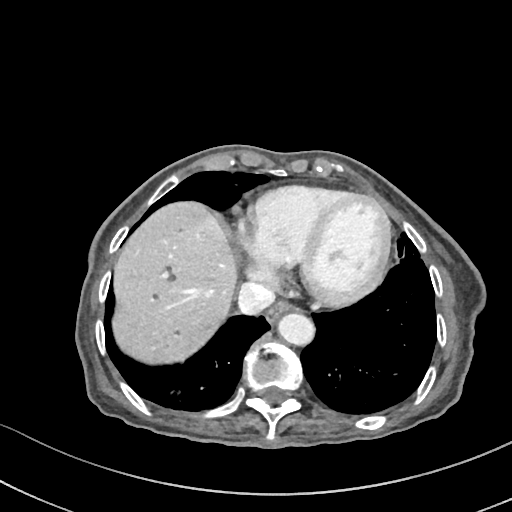

CT, abdomen/pelvis. axial view. soft-tissue window
<organs><organ name="esophagus" x1="267" y1="301" x2="294" y2="322"/><organ name="liver" x1="112" y1="202" x2="236" y2="363"/><organ name="aorta" x1="278" y1="312" x2="314" y2="345"/><organ name="inferior vena cava" x1="237" y1="282" x2="274" y2="314"/></organs>